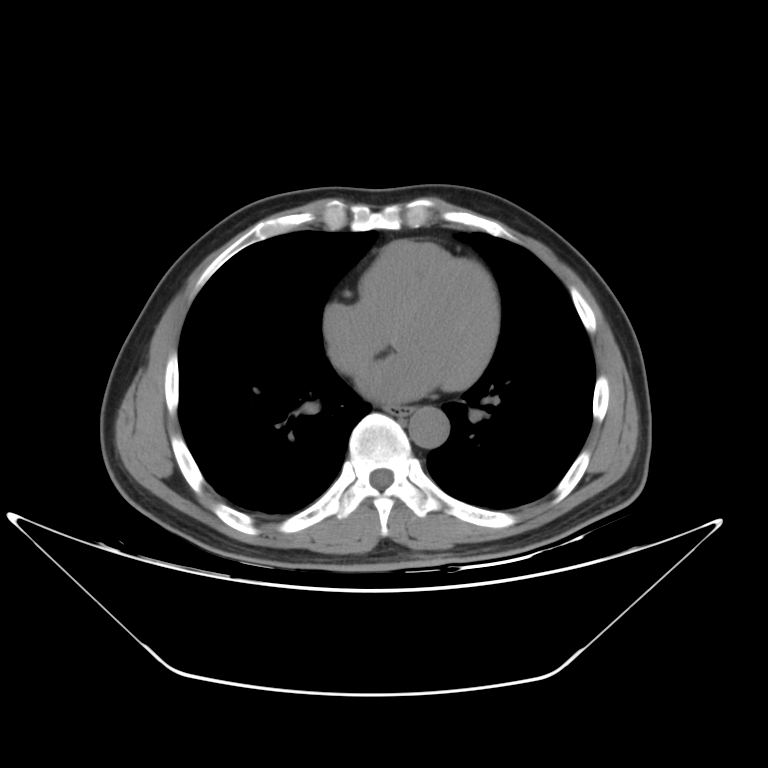
CT of the abdomen reaching into the lower chest, slice just above the liver and spleen · axial view · 768x768 px · 53-year-old male patient
The heart and lungs are never labeled in this dataset, so they have no box on this slice. Bounding boxes as [x1, y1, x2, y2] in pixel coordinates. The annotated organs in this slice are: esophagus at [384, 405, 415, 415], aorta at [409, 407, 449, 448], inferior vena cava at [330, 343, 370, 373].